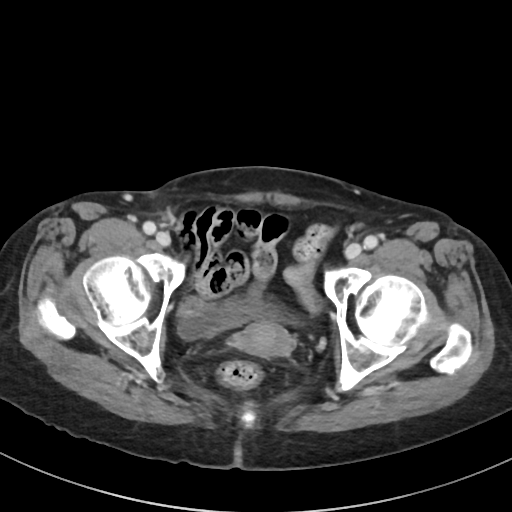
CT abdomen — axial view — 512x512 px — 15 organs annotated in this scan (counted over the whole 3D scan, not this slice; an organ is boxed only where this slice passes through it)
Box edges are left/top/right/bottom in pixels.
Organ bounding boxes:
- bladder: left=178, top=302, right=281, bottom=340
- prostate/uterus: left=233, top=320, right=294, bottom=358